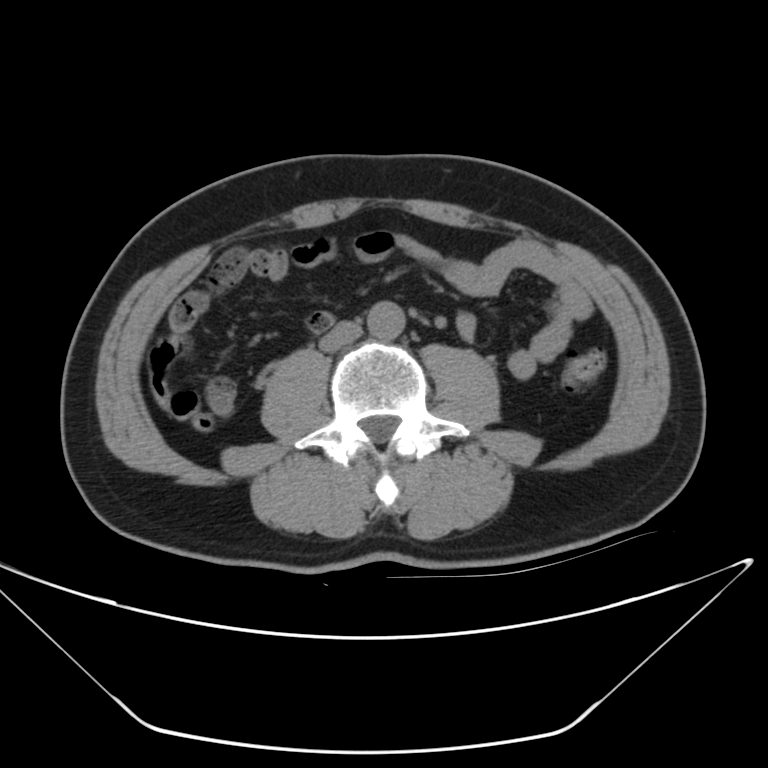

Abdominal CT · axial plane, index 56 · abdomen soft-tissue window · 768x768 px
<organs><organ name="aorta" x1="367" y1="299" x2="405" y2="338"/><organ name="inferior vena cava" x1="318" y1="322" x2="361" y2="351"/></organs>